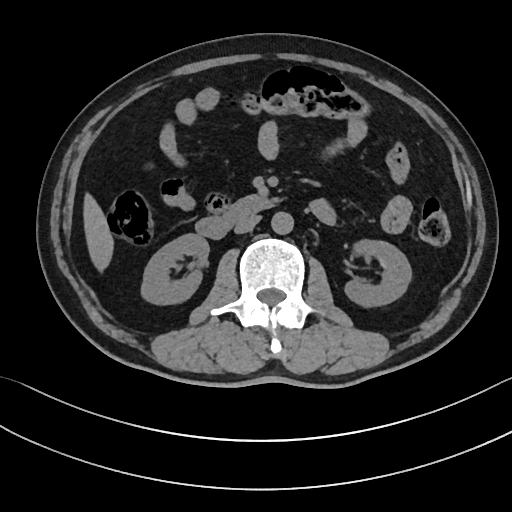
Abdominal CT; axial view; W/L 400/40 HU
<organs><organ name="right kidney" x1="141" y1="234" x2="208" y2="303"/><organ name="left kidney" x1="346" y1="238" x2="411" y2="305"/><organ name="liver" x1="84" y1="196" x2="112" y2="269"/><organ name="aorta" x1="271" y1="211" x2="293" y2="233"/><organ name="inferior vena cava" x1="234" y1="215" x2="260" y2="233"/><organ name="duodenum" x1="195" y1="196" x2="273" y2="238"/></organs>